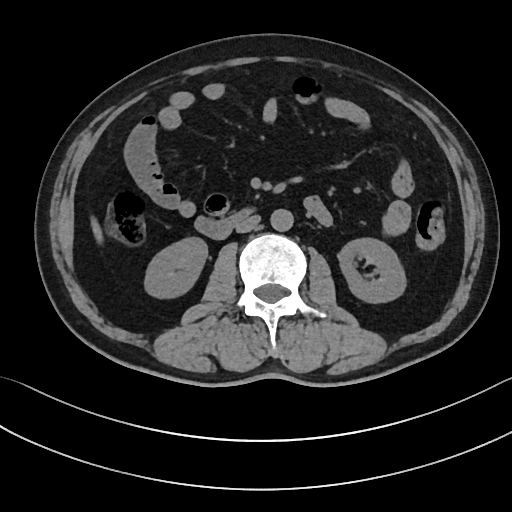 Computed tomography, abdomen; axial view; W/L 400/40 HU; 512x512 px; scan has 15 labeled organs (a whole-scan count: organs this slice does not pass through have no box)
One row per box, in pixels: columns x1 and y1 give the top-left corner, x2 and y2 the bottom-right.
| organ | x1 | y1 | x2 | y2 |
|---|---|---|---|---|
| right kidney | 144 | 237 | 207 | 297 |
| left kidney | 337 | 238 | 405 | 303 |
| liver | 90 | 217 | 102 | 243 |
| aorta | 270 | 208 | 293 | 231 |
| inferior vena cava | 235 | 215 | 260 | 232 |
| duodenum | 195 | 209 | 249 | 239 |